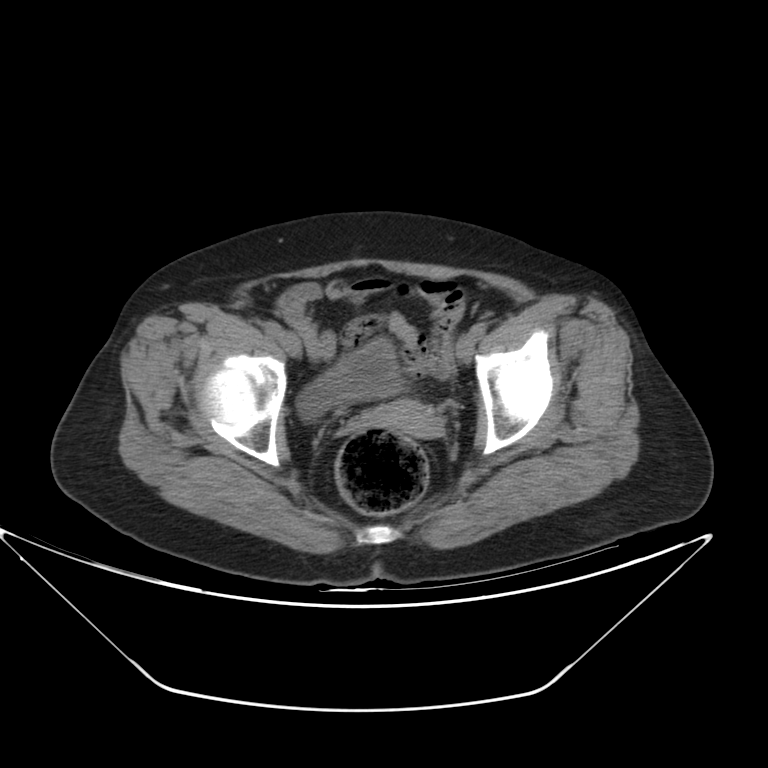 CT, abdomen/pelvis. axial plane, index 19. 768x768 px. acquired on Brilliance16
<organs><organ name="bladder" x1="298" y1="338" x2="402" y2="419"/><organ name="prostate/uterus" x1="371" y1="399" x2="440" y2="437"/></organs>